CT abdomen — axial plane, index 232
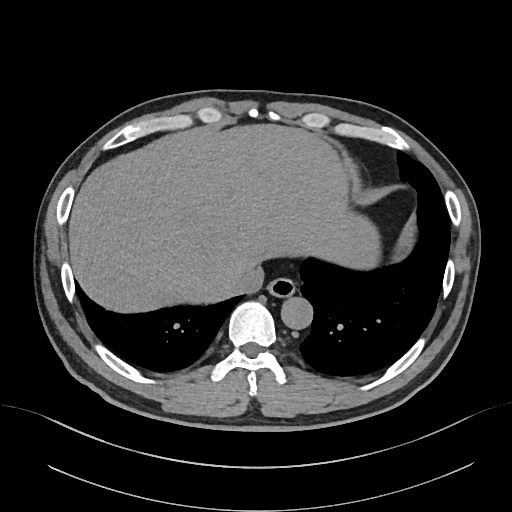

<organs><organ name="esophagus" x1="267" y1="278" x2="295" y2="298"/><organ name="liver" x1="69" y1="125" x2="380" y2="311"/><organ name="aorta" x1="281" y1="297" x2="312" y2="329"/><organ name="inferior vena cava" x1="224" y1="265" x2="265" y2="295"/></organs>